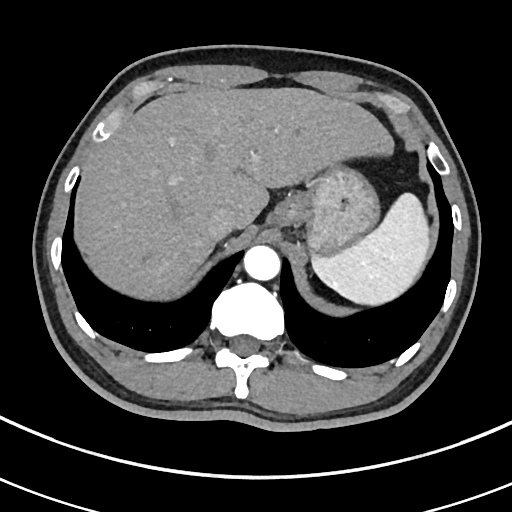
CT abdomen. axial view
{"organs":{"spleen":[312,193,430,305],"liver":[81,87,393,300],"stomach":[271,163,379,256],"aorta":[243,245,280,281],"inferior vena cava":[206,206,235,240]}}